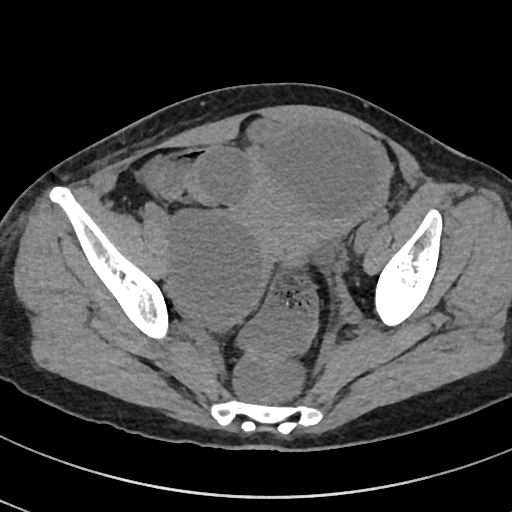

CT, abdomen/pelvis — axial view — soft-tissue window — 512x512 px — SOMATOM Force scanner — scan has 15 labeled organs (a whole-scan count: organs this slice does not pass through have no box)
{"organs":{"prostate/uterus":[239,182,310,262]}}